Computed tomography, abdomen · Axial slice 86/99 · 43-year-old female patient
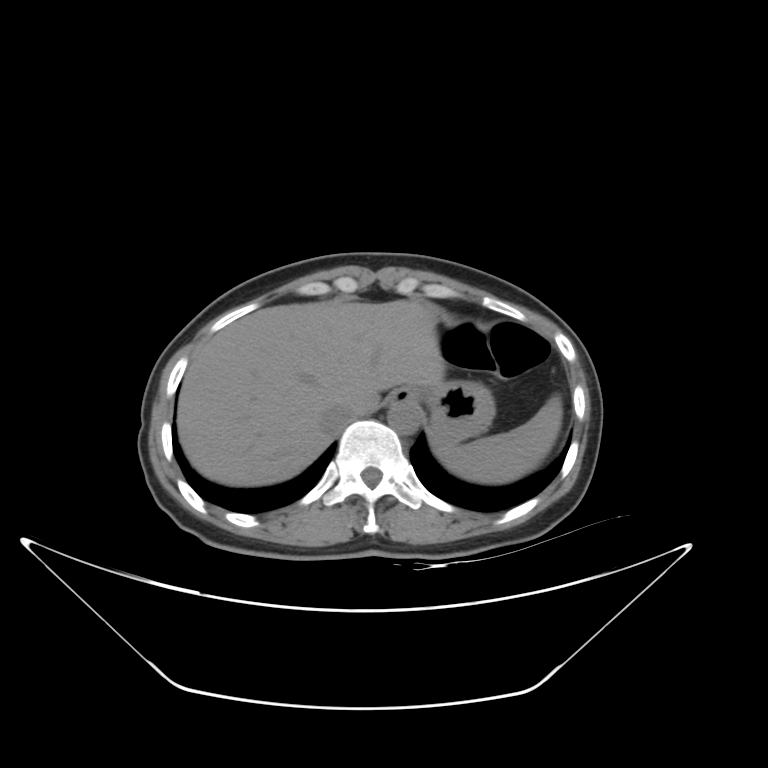

Each box given as x1,y1,x2,y2.
inferior vena cava: x1=320, y1=402, x2=357, y2=431
spleen: x1=439, y1=394, x2=562, y2=484
esophagus: x1=387, y1=387, x2=420, y2=403
stomach: x1=419, y1=379, x2=494, y2=450
liver: x1=178, y1=300, x2=445, y2=486
aorta: x1=388, y1=402, x2=421, y2=433